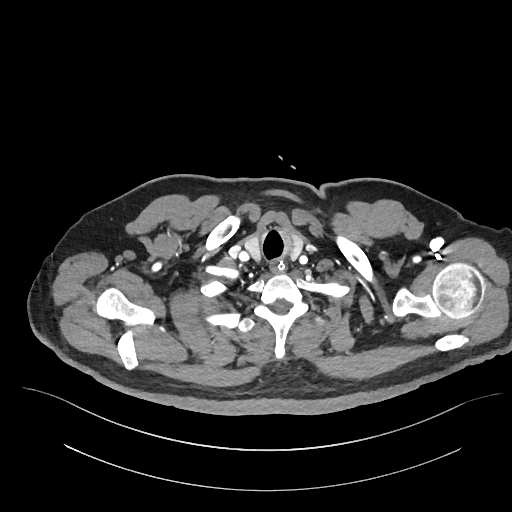 Abdominal CT reaching into the chest; this slice is in the chest · axial plane, index 322 · 512x512 px
At this level of the chest this dataset labels only the esophagus and the aorta, and each is boxed only where it is labeled; the heart and lungs are never labeled.
{"organs":{"esophagus":[270,260,284,274]}}